CT, abdomen/pelvis. Axial slice 201/251. 15 organs annotated in this scan (a whole-scan count: organs this slice does not pass through have no box)
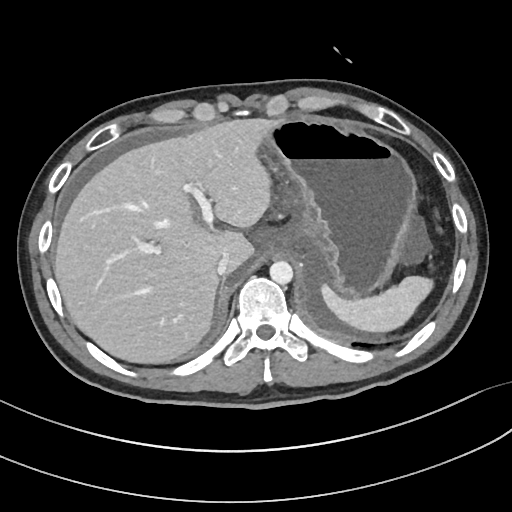

{"organs":{"aorta":[269,261,292,283],"spleen":[320,276,433,333],"stomach":[259,117,415,295],"liver":[53,117,272,363],"inferior vena cava":[216,253,229,275]}}